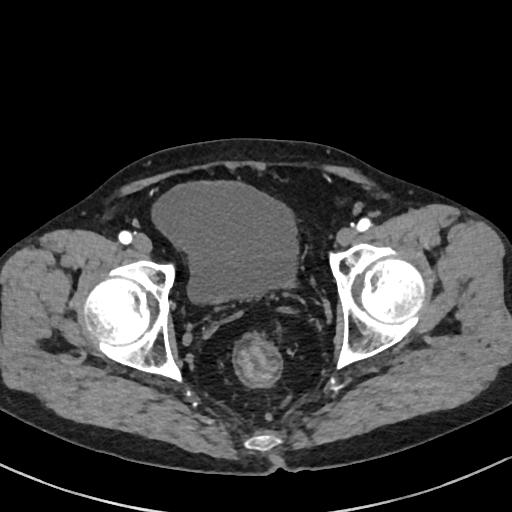

CT abdomen — axial view — abdomen soft-tissue window
{"organs":{"bladder":[151,180,297,303]}}